CT, abdomen/pelvis · axial plane, index 89 · W/L 400/40 HU · 768x768 px · 15 organs annotated in this scan (counted over the whole 3D scan, not this slice; an organ is boxed only where this slice passes through it)
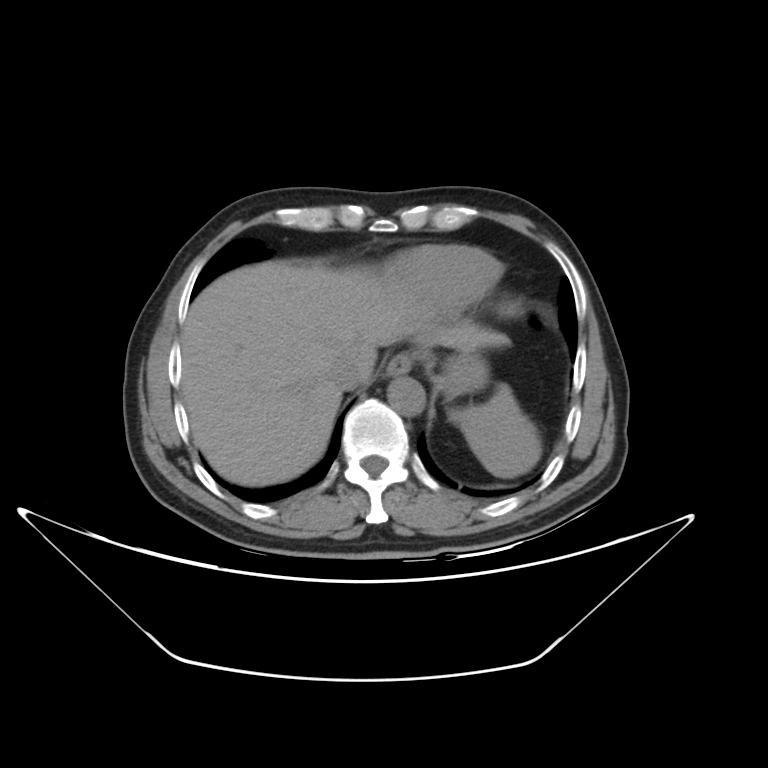 Coordinates as <box>x1,y1,x2,y2</box> in pixels.
Organ bounding boxes:
- spleen: <box>447,384,541,475</box>
- esophagus: <box>389,356,408,375</box>
- liver: <box>180,262,511,485</box>
- stomach: <box>440,355,485,390</box>
- aorta: <box>387,377,425,414</box>
- inferior vena cava: <box>331,357,360,390</box>